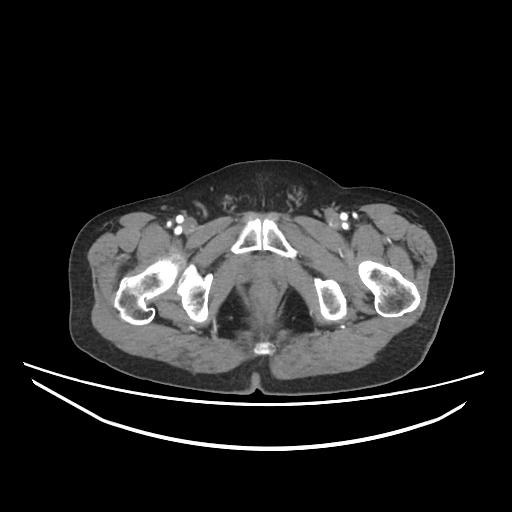 Computed tomography, abdomen. axial view. abdomen soft-tissue window. 58-year-old male patient. scan has 15 labeled organs (a whole-scan count: organs this slice does not pass through have no box)
<organs><organ name="prostate/uterus" x1="250" y1="261" x2="273" y2="282"/></organs>